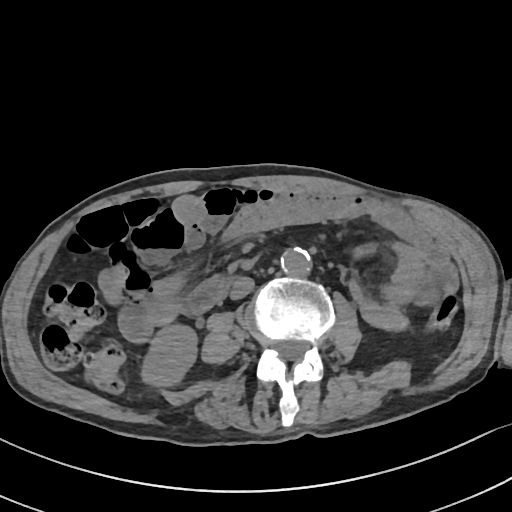
CT abdomen. Axial slice 107/208. W/L 400/40 HU
{"organs":{"right kidney":[141,324,197,386],"aorta":[280,247,311,277],"inferior vena cava":[230,276,254,299],"duodenum":[182,276,233,314]}}